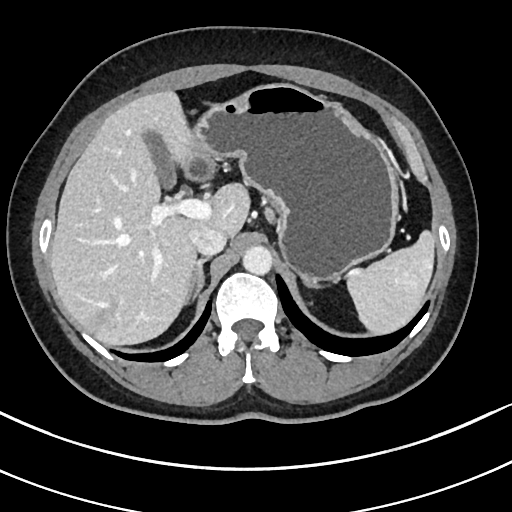
CT abdomen; axial view; soft-tissue window
Each box given as x1,y1,x2,y2.
aorta: x1=242, y1=246, x2=272, y2=275
stomach: x1=185, y1=83, x2=397, y2=281
gall bladder: x1=142, y1=131, x2=175, y2=188
left adrenal gland: x1=302, y1=277, x2=320, y2=288
spleen: x1=346, y1=231, x2=433, y2=332
liver: x1=50, y1=90, x2=250, y2=345
inferior vena cava: x1=190, y1=226, x2=227, y2=255
right adrenal gland: x1=184, y1=257, x2=209, y2=303